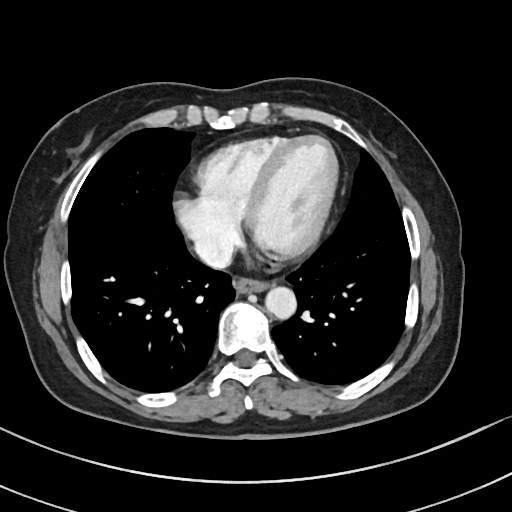

CT of the abdomen reaching into the lower chest, slice just above the liver and spleen. axial view
Of the structures in the chest, this dataset labels only the esophagus, the aorta and the inferior vena cava; the heart and lungs have no label.
Box edges are left/top/right/bottom in pixels.
Organ bounding boxes:
- esophagus: left=235, top=278, right=271, bottom=292
- aorta: left=264, top=286, right=296, bottom=318
- inferior vena cava: left=195, top=235, right=234, bottom=268